Lower-chest slice from an abdominal CT, just above the liver and spleen — Axial slice 236/242 — 512x512 px — 15 organs annotated in this scan (a whole-scan count: organs this slice does not pass through have no box)
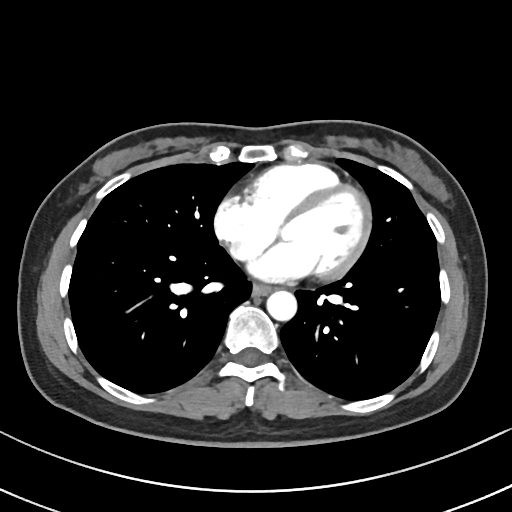 The heart and lungs are never labeled in this dataset, so they have no box on this slice.
Boxes are (x1, y1, x2, y2) in pixels.
Organ bounding boxes:
- esophagus: (252, 284, 271, 296)
- aorta: (266, 291, 296, 321)